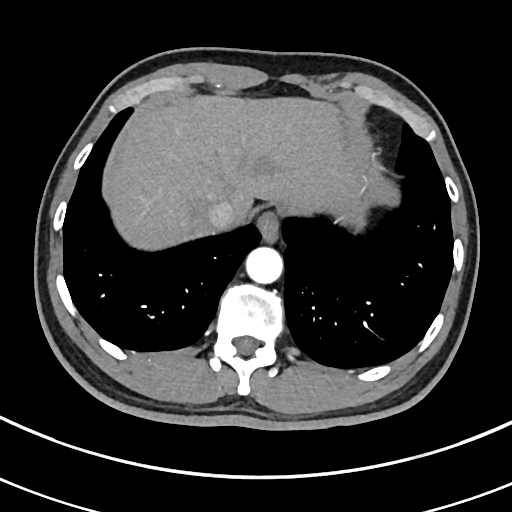
CT, abdomen/pelvis. axial view
Each box given as x1,y1,x2,y2.
Organ bounding boxes:
- esophagus: x1=256, y1=210, x2=282, y2=241
- liver: x1=110, y1=95, x2=365, y2=250
- aorta: x1=245, y1=246, x2=282, y2=283
- inferior vena cava: x1=207, y1=202, x2=235, y2=231